Computed tomography, abdomen · axial plane, index 50 · soft-tissue window · 768x768 px · 66-year-old male patient
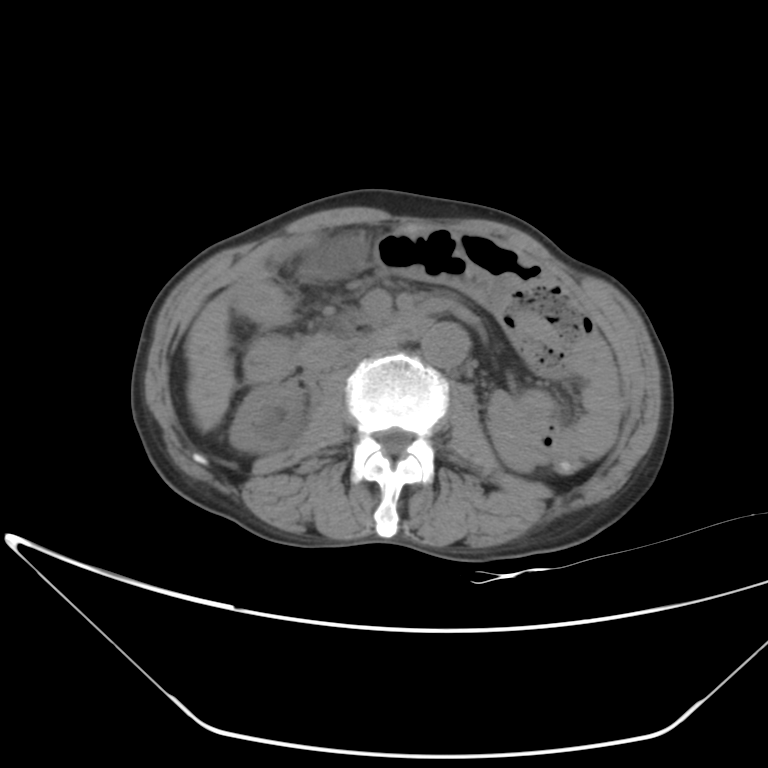
Boxes: x1 y1 x2 y2 (pixel coords, space-separated).
Organ bounding boxes:
- right kidney: 229 383 304 452
- gall bladder: 308 237 363 277
- liver: 185 296 234 433
- stomach: 323 242 332 245
- aorta: 421 321 470 368
- inferior vena cava: 331 339 390 368
- duodenum: 293 319 431 369